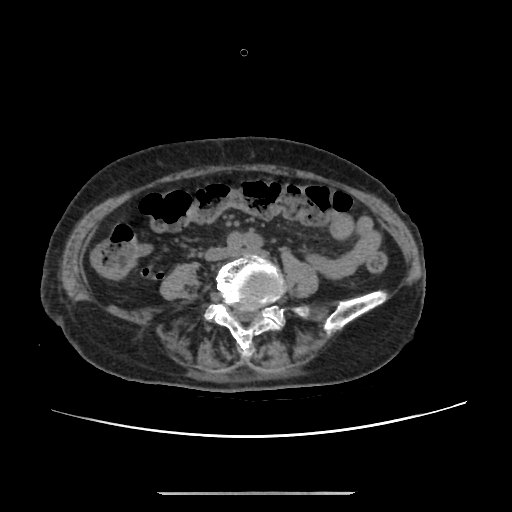
CT abdomen · axial view · 512x512 px · acquired on SOMATOM Force
One row per box, in pixels: columns x1 and y1 give the top-left corner, x2 and y2 the bottom-right.
| organ | x1 | y1 | x2 | y2 |
|---|---|---|---|---|
| inferior vena cava | 204 | 247 | 229 | 260 |
| aorta | 227 | 231 | 258 | 251 |